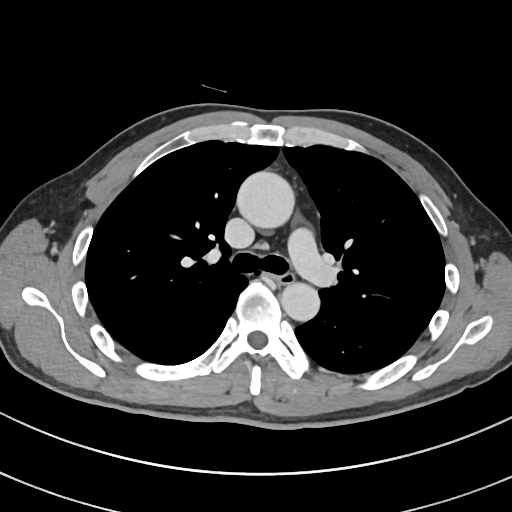 Abdominal CT reaching into the chest; this slice is in the chest — axial view — soft-tissue window (W 400 / L 40)
On a slice this high in the chest, this dataset labels only the esophagus and the aorta, and each is boxed only where it is labeled; the heart, lungs and other chest structures are not labeled.
Boxes: x1 y1 x2 y2 (pixel coords, space-separated).
esophagus: 272 272 294 284
aorta: 236 171 294 228
aorta: 281 282 319 321